CT, abdomen/pelvis — axial view — scan has 15 labeled organs (a whole-scan count: organs this slice does not pass through have no box)
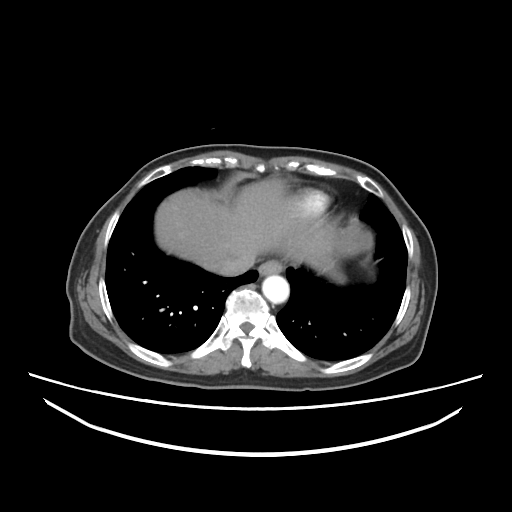 {"organs":{"esophagus":[258,261,284,275],"liver":[155,178,284,268],"stomach":[311,226,371,279],"aorta":[262,275,289,303],"inferior vena cava":[208,254,254,275]}}